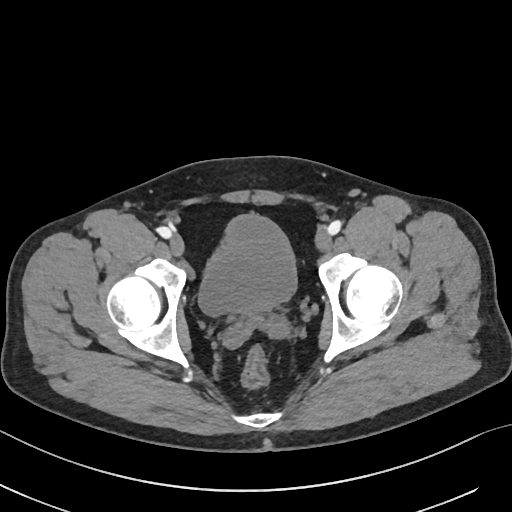 CT, abdomen/pelvis. axial plane, index 39. soft-tissue window
<organs><organ name="bladder" x1="198" y1="215" x2="296" y2="314"/></organs>